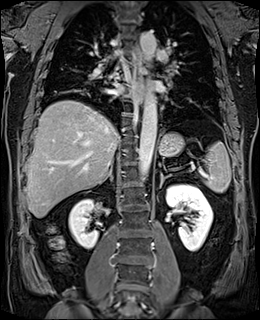

Abdominal MR — coronal plane, index 50 — 260x320 px
One row per box, in pixels: columns x1 and y1 give the top-left corner, x2 and y2 the bottom-right.
| organ | x1 | y1 | x2 | y2 |
|---|---|---|---|---|
| spleen | 203 | 141 | 231 | 192 |
| right kidney | 69 | 199 | 100 | 248 |
| left kidney | 166 | 184 | 213 | 252 |
| esophagus | 133 | 47 | 143 | 103 |
| liver | 26 | 100 | 119 | 218 |
| stomach | 158 | 132 | 184 | 157 |
| aorta | 138 | 92 | 157 | 180 |
| aorta | 140 | 31 | 156 | 62 |
| right adrenal gland | 99 | 165 | 112 | 184 |
| left adrenal gland | 159 | 172 | 171 | 188 |